CT abdomen — axial view — soft-tissue window — SOMATOM Force scanner
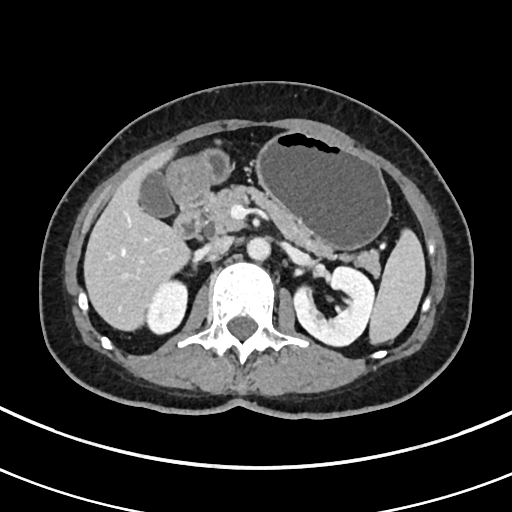
<organs><organ name="spleen" x1="369" y1="229" x2="425" y2="344"/><organ name="right kidney" x1="146" y1="279" x2="187" y2="333"/><organ name="left kidney" x1="294" y1="266" x2="374" y2="346"/><organ name="gall bladder" x1="140" y1="172" x2="173" y2="217"/><organ name="liver" x1="83" y1="149" x2="189" y2="330"/><organ name="stomach" x1="165" y1="131" x2="391" y2="249"/><organ name="aorta" x1="247" y1="237" x2="270" y2="260"/><organ name="inferior vena cava" x1="204" y1="236" x2="232" y2="254"/><organ name="pancreas" x1="201" y1="185" x2="379" y2="275"/><organ name="duodenum" x1="172" y1="195" x2="204" y2="238"/></organs>